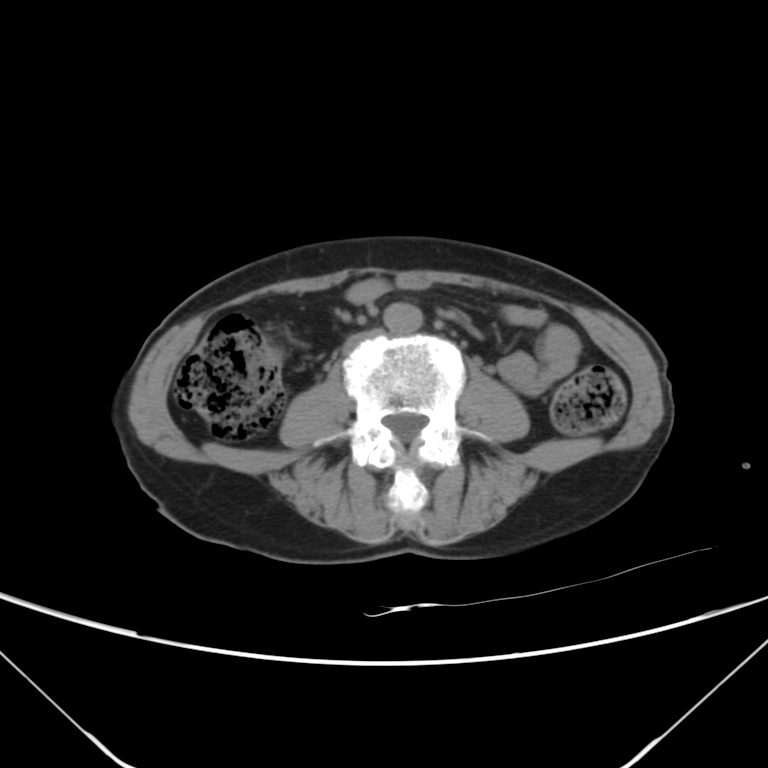

Abdominal CT — axial view — 768x768 px — Brilliance16 scanner
Boxes: x1 y1 x2 y2 (pixel coords, space-separated). Labeled organs on this slice: inferior vena cava at 342 328 381 353, aorta at 384 304 421 332.